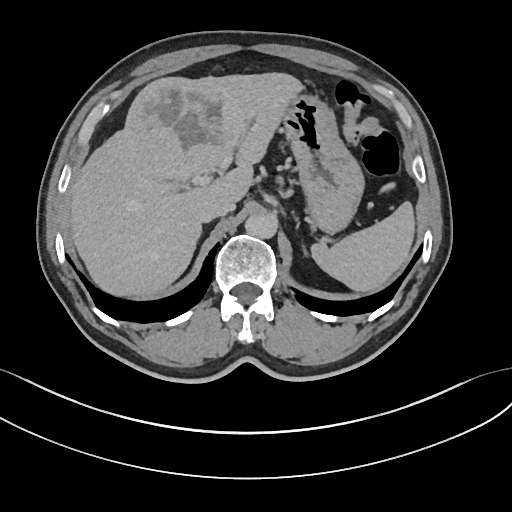
Computed tomography, abdomen — axial view — soft-tissue window
Boxes are (x1, y1, x2, y2) in pixels.
aorta: (245, 213, 277, 238)
stomach: (282, 94, 364, 234)
inferior vena cava: (199, 195, 234, 221)
left adrenal gland: (303, 246, 307, 255)
liver: (69, 72, 303, 295)
spleen: (311, 202, 414, 291)